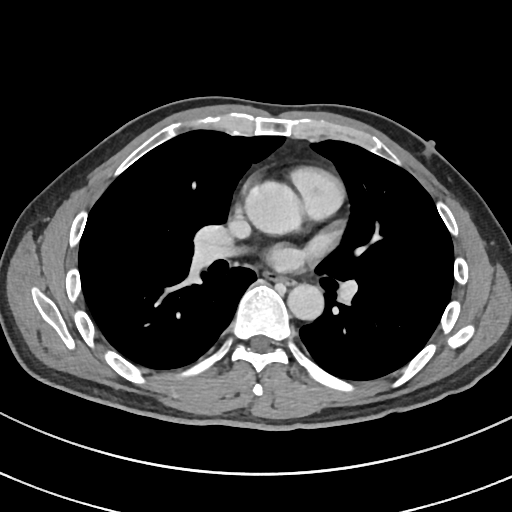
Chest-level slice from an abdominal CT that extends up into the chest · axial view · W/L 400/40 HU · SOMATOM Force scanner
At this level of the chest no structure but the esophagus and the aorta has a label in this dataset, and those two are boxed only where they are labeled.
Bounding boxes as [x1, y1, x2, y2] in pixel coordinates.
esophagus: [266, 274, 294, 285]
aorta: [245, 181, 300, 234]
aorta: [287, 283, 323, 320]